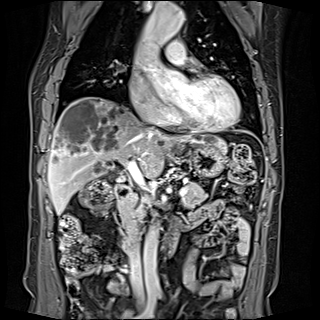
Magnetic resonance imaging, abdomen · coronal plane, index 35
Boxes are (x1, y1, x2, y2) in pixels. 7 labeled organs on this slice — gall bladder at (109, 175, 112, 177); liver at (47, 97, 227, 214); stomach at (188, 144, 226, 177); aorta at (138, 4, 184, 55); aorta at (144, 226, 164, 297); inferior vena cava at (129, 243, 142, 295); pancreas at (118, 182, 207, 227); duodenum at (114, 181, 181, 251).